Abdominal CT; axial view; soft-tissue window; 512x512 px; acquired on Aquilion ONE
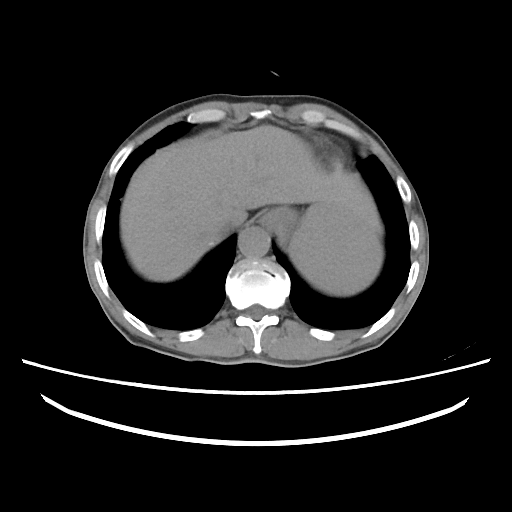
Organ boxes in pixel coordinates; each row gives the top-left (x1, y1) and bottom-right (x2, y2) corners.
| organ | x1 | y1 | x2 | y2 |
|---|---|---|---|---|
| esophagus | 261 | 210 | 283 | 227 |
| inferior vena cava | 215 | 219 | 237 | 235 |
| liver | 120 | 125 | 380 | 281 |
| spleen | 288 | 204 | 383 | 296 |
| aorta | 238 | 226 | 270 | 256 |
| stomach | 276 | 208 | 301 | 248 |